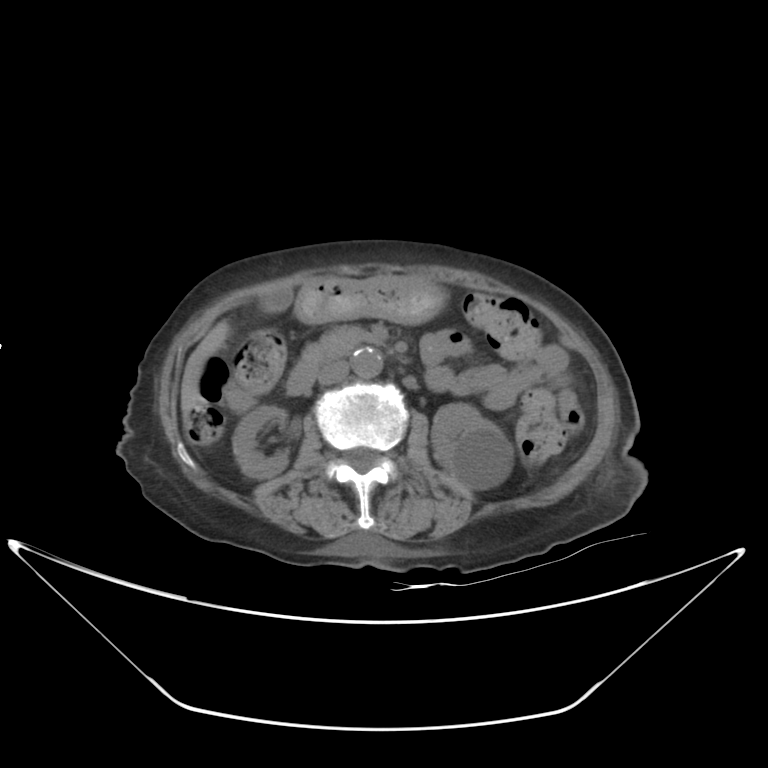
CT, abdomen/pelvis. axial view. soft-tissue window. female patient aged 90 or older
{"organs":{"right kidney":[232,405,288,478],"left kidney":[431,403,513,489],"gall bladder":[262,288,291,311],"liver":[181,322,230,419],"stomach":[294,276,445,324],"aorta":[351,348,382,377],"inferior vena cava":[318,361,348,384],"pancreas":[302,325,371,366],"duodenum":[286,359,319,395]}}